Magnetic resonance imaging, abdomen. Axial slice 63/72
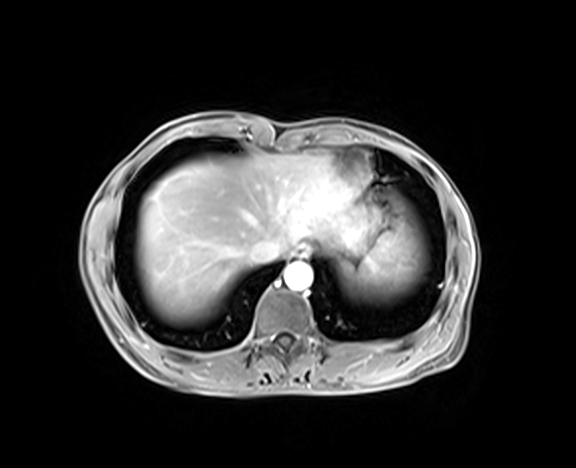 Coordinates as <box>x1,y1,x2,y2</box> in pixels. Labeled organs on this slice: spleen at <box>359,230,416,287</box>, esophagus at <box>289,245,310,259</box>, liver at <box>138,153,353,318</box>, aorta at <box>284,263,312,290</box>, inferior vena cava at <box>250,239,276,264</box>, stomach at <box>325,196,379,256</box>.